CT abdomen — axial view — W/L 400/40 HU — acquired on SOMATOM Force
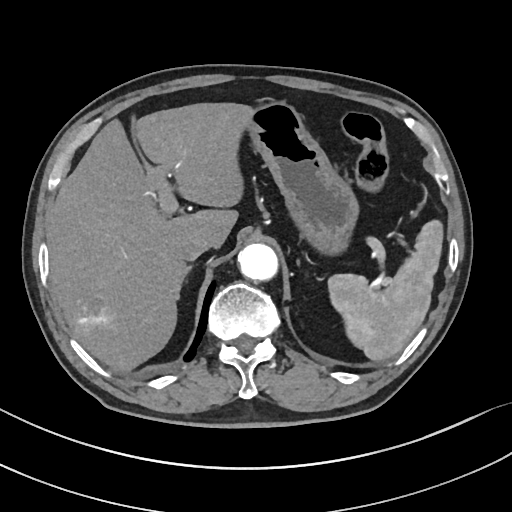 {"organs":{"spleen":[329,218,444,361],"liver":[47,102,250,371],"stomach":[244,103,356,252],"aorta":[238,243,277,280],"inferior vena cava":[176,232,212,260],"right adrenal gland":[176,264,191,299],"left adrenal gland":[305,270,309,279]}}